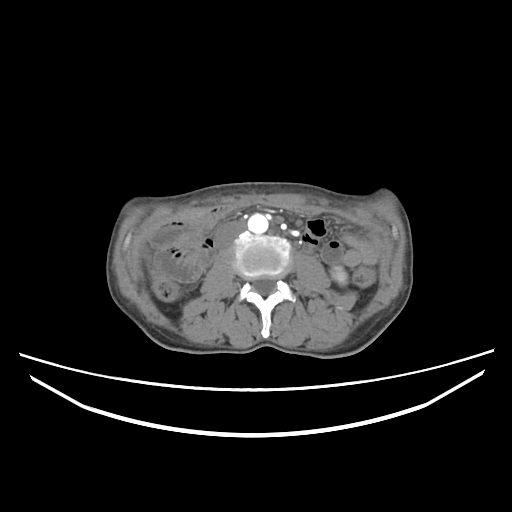 Computed tomography, abdomen. axial view. W/L 400/40 HU. 512x512 px. 50-year-old male patient. Aquilion ONE scanner
{"organs":{"left kidney":[331,267,347,284],"aorta":[248,213,268,233],"inferior vena cava":[216,221,245,246]}}